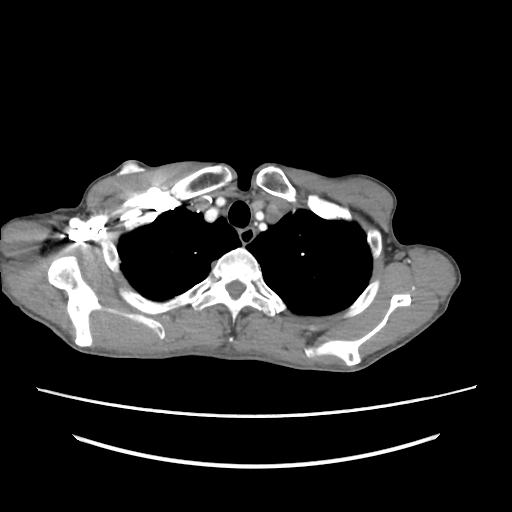 Chest-level CT slice, above the liver and spleen. Axial slice 118/126. soft-tissue window. 512x512 px. 62-year-old male patient. Aquilion ONE scanner
At this level of the chest this dataset labels only the esophagus and the aorta, and each is boxed only where it is labeled; the heart and lungs are never labeled.
{"organs":{"esophagus":[241,227,256,244]}}